Computed tomography, abdomen; Axial slice 162/303; 512x512 px
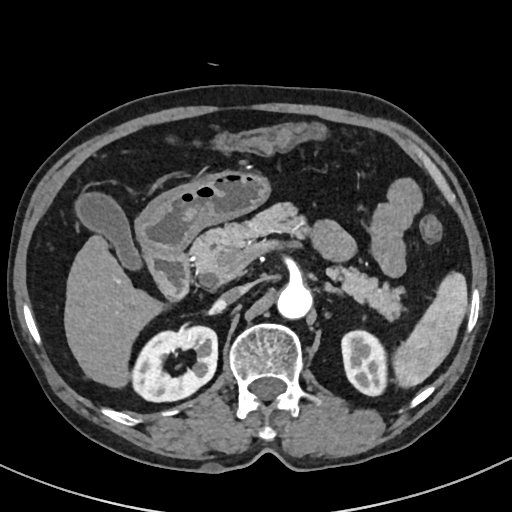

<organs><organ name="duodenum" x1="147" y1="250" x2="189" y2="301"/><organ name="spleen" x1="393" y1="272" x2="467" y2="387"/><organ name="inferior vena cava" x1="213" y1="285" x2="248" y2="310"/><organ name="right kidney" x1="132" y1="326" x2="217" y2="401"/><organ name="aorta" x1="276" y1="283" x2="312" y2="319"/><organ name="left kidney" x1="341" y1="330" x2="387" y2="395"/><organ name="gall bladder" x1="75" y1="193" x2="142" y2="270"/><organ name="stomach" x1="135" y1="170" x2="270" y2="256"/><organ name="liver" x1="64" y1="234" x2="164" y2="387"/><organ name="left adrenal gland" x1="324" y1="283" x2="342" y2="295"/><organ name="pancreas" x1="190" y1="203" x2="402" y2="320"/></organs>